CT, abdomen/pelvis · axial view · W/L 400/40 HU · 512x512 px · 15 organs annotated in this scan (counted over the whole 3D scan, not this slice; an organ is boxed only where this slice passes through it)
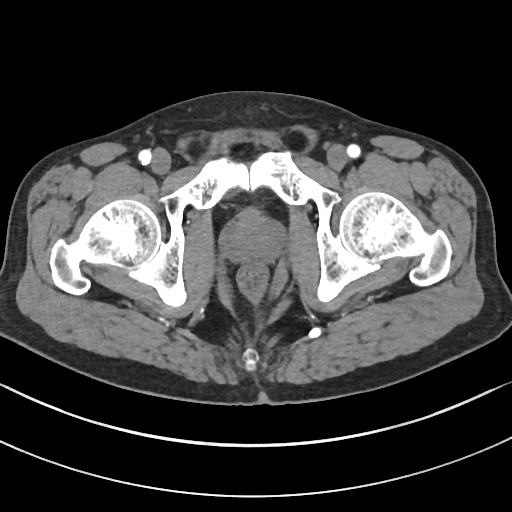 Boxes: x1 y1 x2 y2 (pixel coords, space-separated). 1 labeled organ on this slice — prostate/uterus at 223 210 283 262.